CT, abdomen/pelvis; axial plane, index 277; soft-tissue window (W 400 / L 40); SOMATOM Force scanner; 15 organs annotated in this scan (that count is for the whole scan; organs this slice misses have no box)
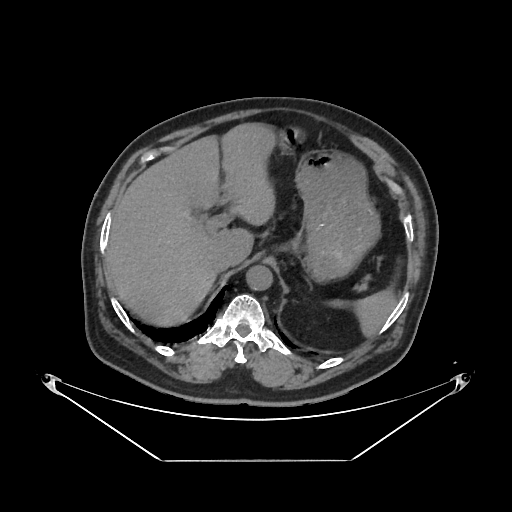

<organs><organ name="aorta" x1="247" y1="265" x2="273" y2="291"/><organ name="inferior vena cava" x1="211" y1="252" x2="235" y2="272"/><organ name="spleen" x1="355" y1="290" x2="397" y2="336"/><organ name="stomach" x1="282" y1="127" x2="380" y2="283"/><organ name="liver" x1="107" y1="123" x2="276" y2="324"/></organs>